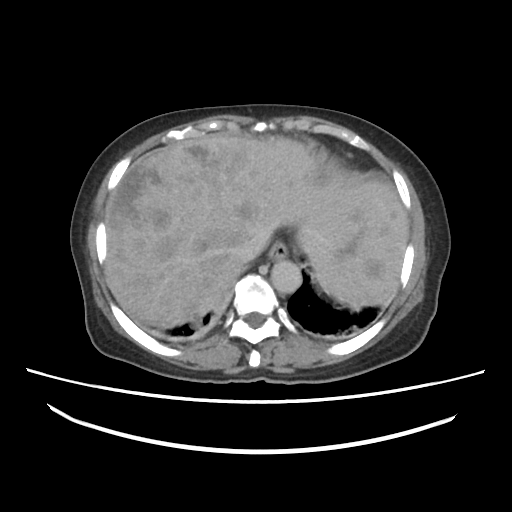
Abdominal CT · axial view
Coordinates as <box>x1,y1,x2,y2</box> in pixels.
Organ bounding boxes:
- spleen: <box>312,230,407,310</box>
- liver: <box>103,134,408,327</box>
- esophagus: <box>268,242,288,260</box>
- aorta: <box>270,259,302,293</box>
- inferior vena cava: <box>235,234,265,262</box>